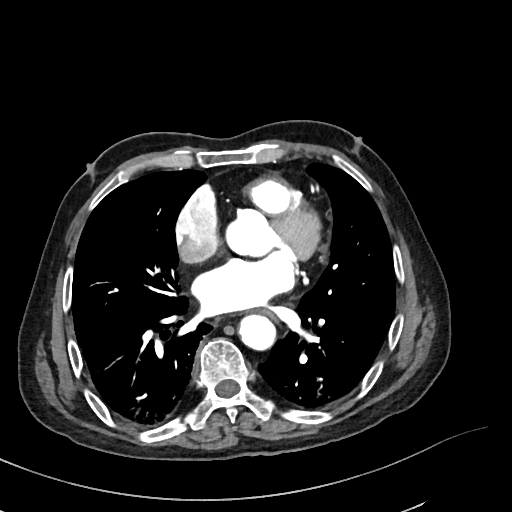
Abdominal CT; this slice is in the lower chest, just above the liver; axial view; 512x512 px
Of the structures in the chest, this dataset labels only the esophagus, the aorta and the inferior vena cava; the heart and lungs have no label. Each box given as x1,y1,x2,y2. The annotated organs in this slice are: esophagus at x1=251, y1=309, x2=277, y2=322, aorta at x1=238, y1=314, x2=276, y2=350.